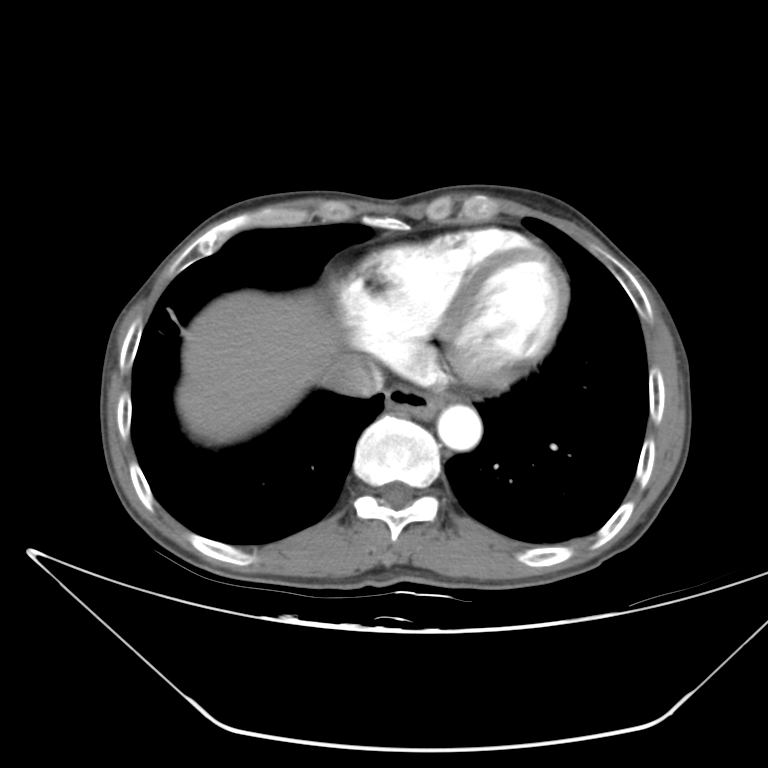
Abdominal CT — axial view — soft-tissue window
Boxes: x1 y1 x2 y2 (pixel coords, space-separated).
Organ bounding boxes:
- liver: 176 290 343 443
- aorta: 437 405 482 450
- esophagus: 385 384 446 419
- inferior vena cava: 321 354 384 396